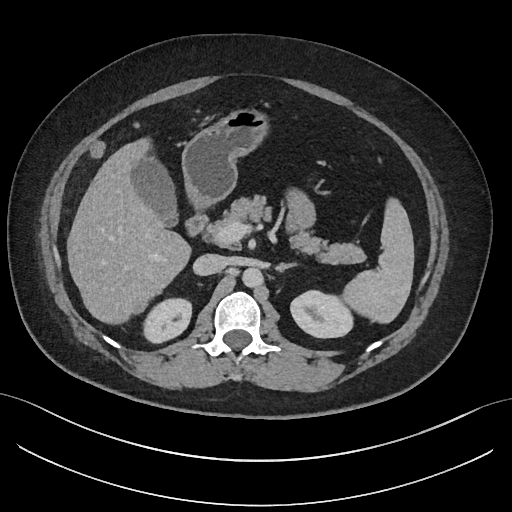

Computed tomography, abdomen · axial plane, index 156 · soft-tissue window · 512x512 px
{"organs":{"liver":[67,138,191,324],"left adrenal gland":[276,263,294,271],"right kidney":[142,298,191,342],"spleen":[343,197,414,323],"pancreas":[208,195,365,264],"gall bladder":[131,157,177,226],"aorta":[242,267,262,287],"duodenum":[185,213,313,236],"inferior vena cava":[193,254,226,275],"left kidney":[290,290,353,338],"stomach":[182,108,268,210]}}